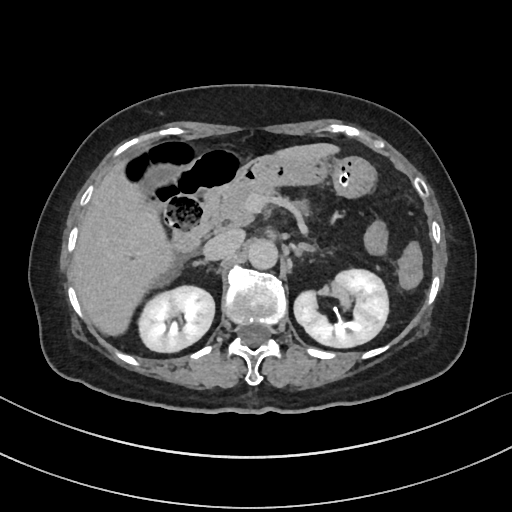
CT, abdomen/pelvis; axial view; soft-tissue window
{"organs":{"right kidney":[138,284,214,352],"left kidney":[295,267,389,348],"gall bladder":[146,163,178,184],"liver":[71,143,336,333],"stomach":[249,154,374,196],"aorta":[247,237,277,268],"inferior vena cava":[203,229,244,260],"pancreas":[220,181,274,226],"right adrenal gland":[192,260,205,267],"left adrenal gland":[295,244,312,254],"duodenum":[169,164,254,252]}}